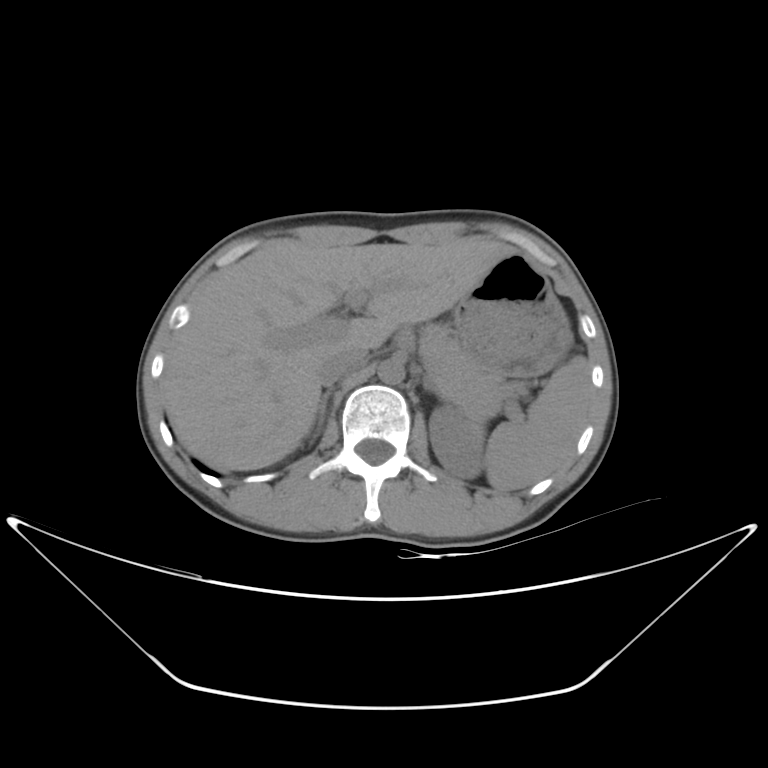
CT abdomen; axial plane, index 69; acquired on Brilliance16; scan has 15 labeled organs (that count is for the whole scan; organs this slice misses have no box)
{"organs":{"spleen":[485,356,593,490],"left kidney":[428,405,484,479],"liver":[162,236,514,470],"stomach":[454,253,571,376],"aorta":[377,359,404,384],"inferior vena cava":[316,345,368,384],"pancreas":[419,323,507,410],"right adrenal gland":[309,388,331,443],"left adrenal gland":[425,383,436,394]}}